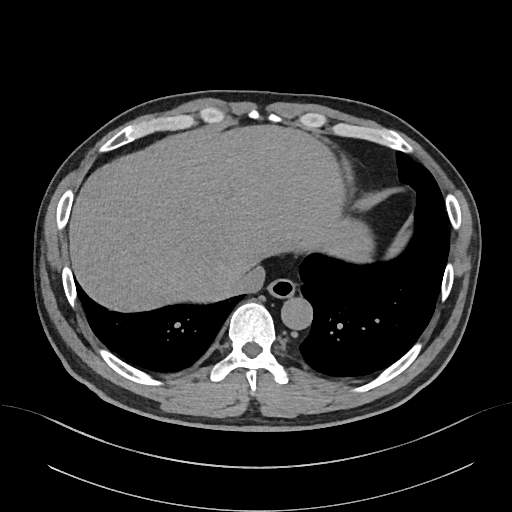 Abdominal CT; Axial slice 234/265; 512x512 px
One row per box, in pixels: columns x1 and y1 give the top-left corner, x2 and y2 the bottom-right.
| organ | x1 | y1 | x2 | y2 |
|---|---|---|---|---|
| aorta | 281 | 297 | 312 | 329 |
| liver | 69 | 125 | 373 | 311 |
| esophagus | 267 | 278 | 295 | 298 |
| inferior vena cava | 224 | 265 | 265 | 295 |